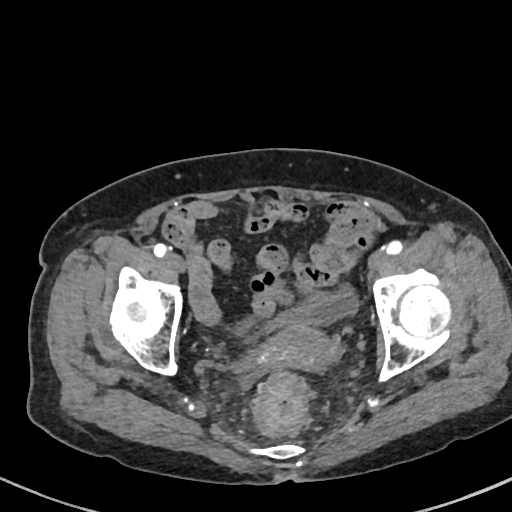
CT abdomen · axial view · 512x512 px · 15 organs annotated in this scan (that count is for the whole scan; organs this slice misses have no box)
Boxes are (x1, y1, x2, y2) in pixels.
Organ bounding boxes:
- bladder: (261, 291, 358, 331)
- prostate/uterus: (263, 325, 336, 368)